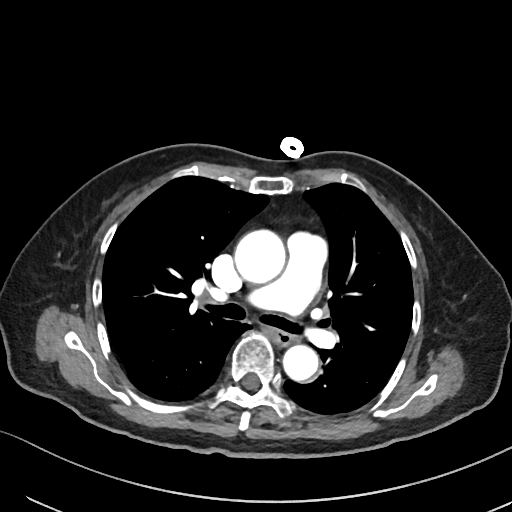

Chest-level slice from an abdominal CT that extends up into the chest. axial view. soft-tissue window (W 400 / L 40). 512x512 px
At this level of the chest no structure but the esophagus and the aorta has a label in this dataset, and those two are boxed only where they are labeled.
Boxes: x1:y1:x2:y2 in pixels.
aorta: 234:229:285:283
aorta: 282:344:318:381
esophagus: 272:330:293:345